Chest-level CT slice, above the liver and spleen. axial view. soft-tissue window (W 400 / L 40)
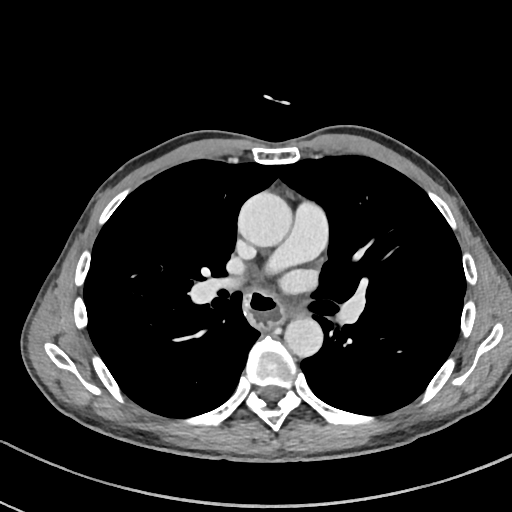 At this level of the chest no structure but the esophagus and the aorta has a label in this dataset, and those two are boxed only where they are labeled.
Box edges are left/top/right/bottom in pixels.
esophagus: left=242, top=289, right=284, bottom=330
aorta: left=238, top=191, right=292, bottom=246
aorta: left=284, top=317, right=322, bottom=357